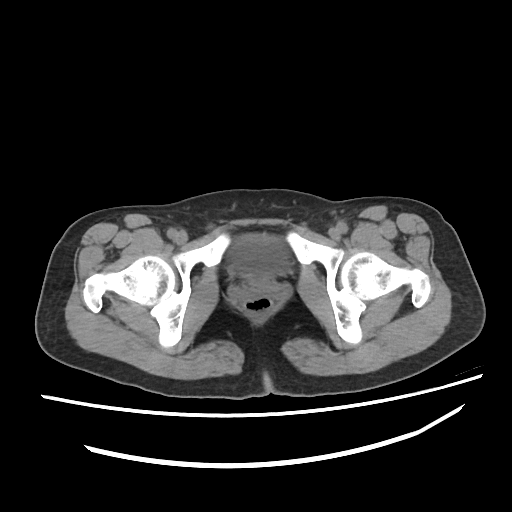

Computed tomography, abdomen. axial view. abdomen soft-tissue window. 43-year-old female patient
Each box given as x1,y1,x2,y2. 1 labeled organ on this slice — bladder at x1=230, y1=235, x2=288, y2=276.